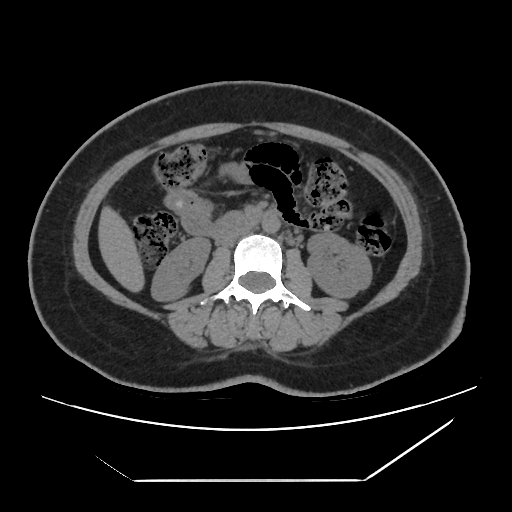
CT, abdomen/pelvis — axial view — W/L 400/40 HU — acquired on SOMATOM Force — 15 organs annotated in this scan (counted over the whole 3D scan, not this slice; an organ is boxed only where this slice passes through it)
Each box given as x1,y1,x2,y2.
liver: x1=99, y1=209, x2=143, y2=290
duodenum: x1=213, y1=212, x2=267, y2=239
aorta: x1=261, y1=214, x2=280, y2=233
right kidney: x1=151, y1=238, x2=209, y2=300
left kidney: x1=307, y1=232, x2=371, y2=296
inferior vena cava: x1=220, y1=225, x2=250, y2=245